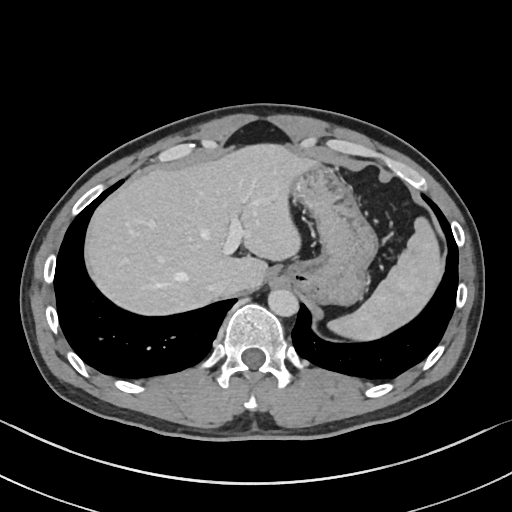
Abdominal CT; axial view
Box edges are left/top/right/bottom in pixels.
stomach: left=288, top=161, right=376, bottom=305
aorta: left=267, top=289, right=298, bottom=316
liver: left=83, top=145, right=318, bottom=317
inferior vena cava: left=209, top=280, right=231, bottom=295
spleen: left=326, top=216, right=441, bottom=341